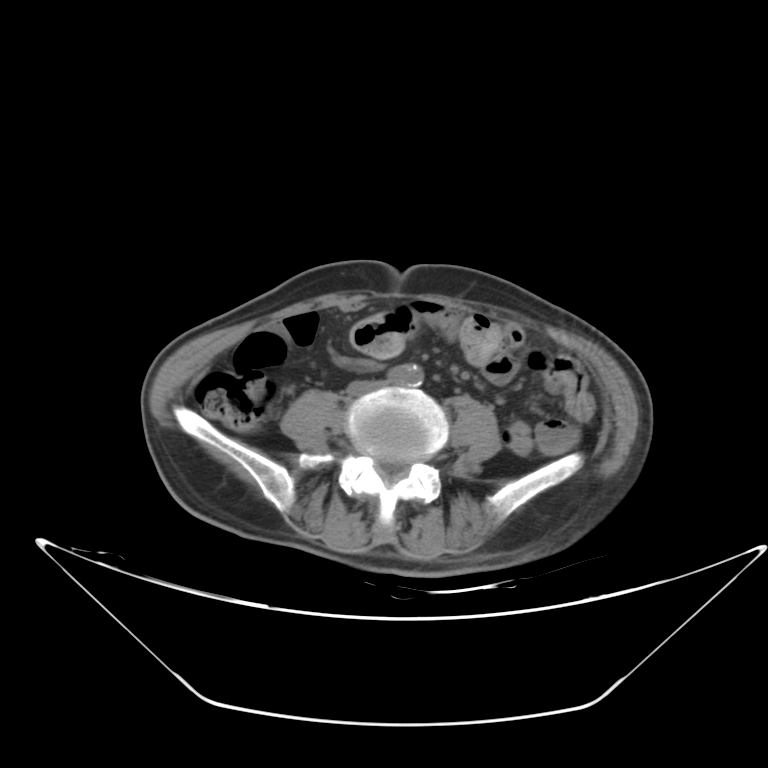

Abdominal CT · axial view · 15 organs annotated in this scan (that count is for the whole scan; organs this slice misses have no box)
<organs><organ name="aorta" x1="386" y1="363" x2="423" y2="387"/><organ name="inferior vena cava" x1="345" y1="379" x2="383" y2="395"/></organs>